CT abdomen. axial view. SOMATOM Force scanner
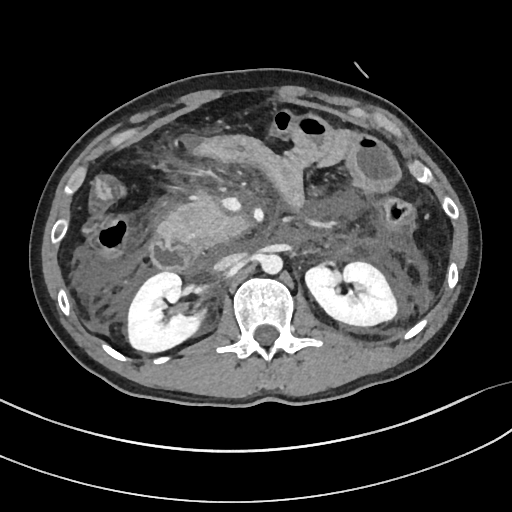
Boxes: x1 y1 x2 y2 (pixel coords, space-separated).
Organ bounding boxes:
- duodenum: 149 237 202 271
- right kidney: 128 272 205 352
- aorta: 260 254 282 274
- pancreas: 158 190 246 248
- inferior vena cava: 213 253 242 271
- left kidney: 305 262 395 326